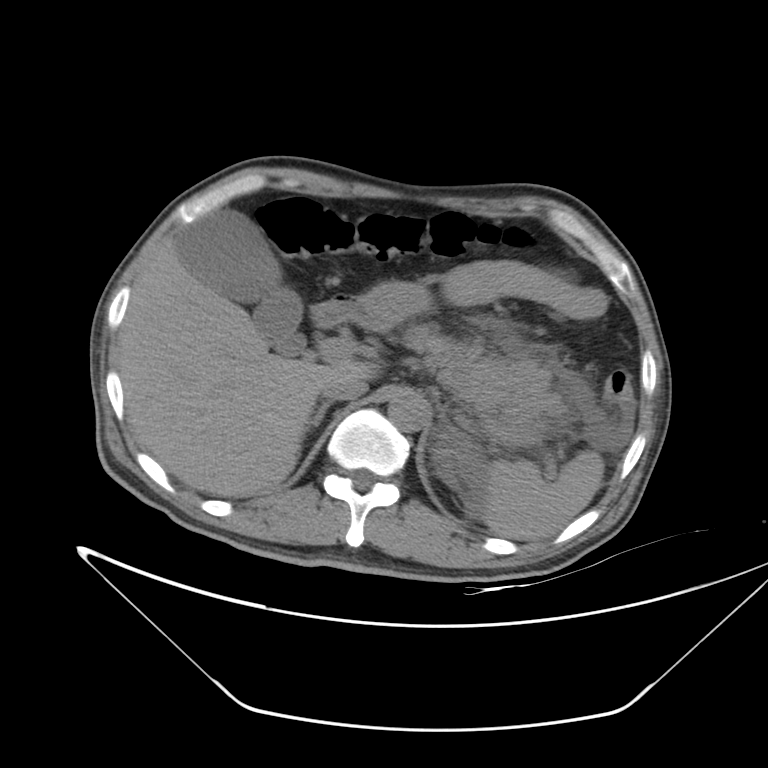

CT abdomen — axial plane, index 81
<organs><organ name="aorta" x1="387" y1="393" x2="431" y2="432"/><organ name="duodenum" x1="311" y1="295" x2="353" y2="329"/><organ name="pancreas" x1="398" y1="322" x2="560" y2="444"/><organ name="liver" x1="117" y1="229" x2="377" y2="496"/><organ name="right adrenal gland" x1="310" y1="403" x2="329" y2="427"/><organ name="gall bladder" x1="176" y1="210" x2="305" y2="356"/><organ name="spleen" x1="483" y1="450" x2="603" y2="540"/><organ name="inferior vena cava" x1="320" y1="379" x2="366" y2="401"/><organ name="stomach" x1="353" y1="281" x2="431" y2="329"/></organs>